Abdominal MR — axial view — 1st–99th percentile window — 320x260 px — acquired on Prisma
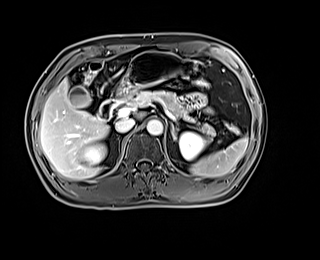

Box edges are left/top/right/bottom in pixels. 11 labeled organs on this slice — spleen at left=190, top=136, right=248, bottom=177; right kidney at left=81, top=144, right=105, bottom=164; left kidney at left=179, top=132, right=205, bottom=160; gall bladder at left=69, top=87, right=91, bottom=107; liver at left=40, top=79, right=146, bottom=179; stomach at left=111, top=52, right=196, bottom=104; aorta at left=147, top=119, right=162, bottom=135; inferior vena cava at left=115, top=118, right=135, bottom=132; pancreas at left=123, top=90, right=215, bottom=139; left adrenal gland at left=171, top=123, right=176, bottom=140; duodenum at left=97, top=98, right=117, bottom=120.